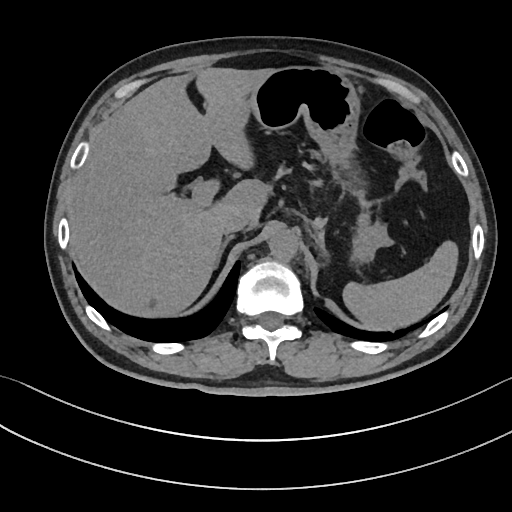 Computed tomography, abdomen — Axial slice 181/231 — 512x512 px — acquired on SOMATOM Force
Boxes: x1:y1:x2:y2 in pixels.
left adrenal gland: 325:261:328:269
right adrenal gland: 214:234:235:270
stomach: 230:65:385:249
spleen: 343:240:460:331
inferior vena cava: 223:208:252:232
aorta: 268:228:298:258
liver: 69:67:271:318